CT abdomen; axial view; soft-tissue window; 512x512 px
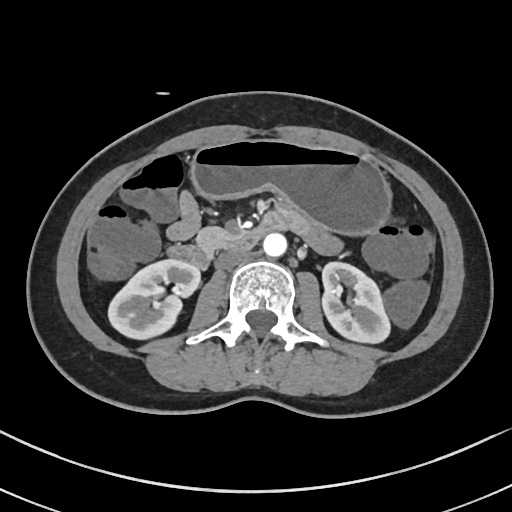

Coordinates as <box>x1,y1,x2,y2</box> in pixels.
right kidney: <box>108,259,200,339</box>
left kidney: <box>322,262,390,343</box>
stomach: <box>190,139,391,234</box>
aorta: <box>263,233,286,257</box>
inferior vena cava: <box>215,249,248,269</box>
pancreas: <box>196,226,234,252</box>
duodenum: <box>166,213,286,268</box>